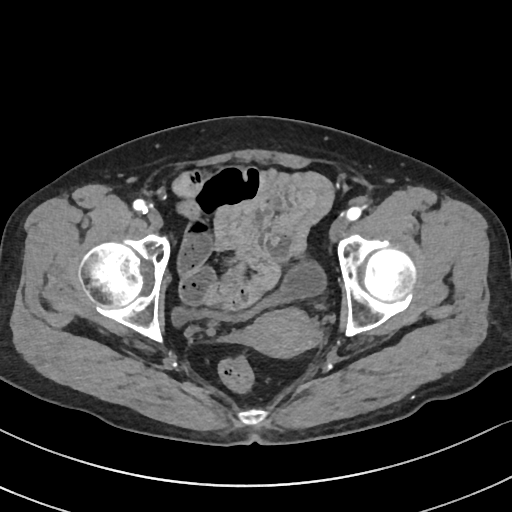 Abdominal CT. axial plane, index 36
{"organs":{"bladder":[172,261,326,325],"prostate/uterus":[243,308,317,357]}}